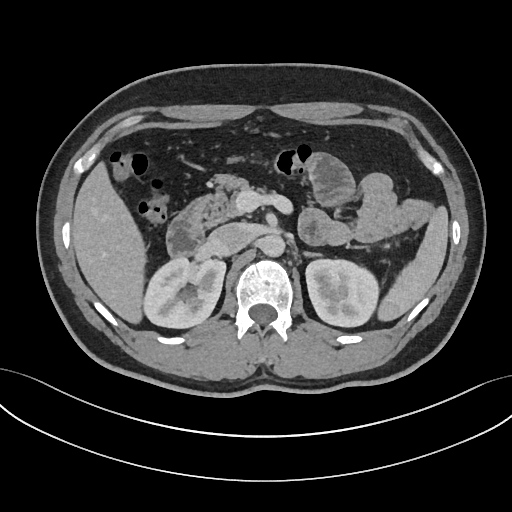 CT, abdomen/pelvis · axial view
Boxes are (x1, y1, x2, y2) in pixels.
spleen: (378, 205, 448, 321)
right kidney: (145, 258, 226, 328)
left kidney: (305, 260, 378, 326)
liver: (72, 161, 147, 324)
aorta: (260, 234, 284, 257)
inferior vena cava: (206, 223, 255, 256)
pancreas: (203, 174, 266, 224)
left adrenal gland: (302, 252, 321, 256)
duodenum: (166, 197, 203, 257)